Chest-level slice from an abdominal CT that extends up into the chest. axial view. 512x512 px. 15 organs annotated in this scan (that count is for the whole scan; organs this slice misses have no box)
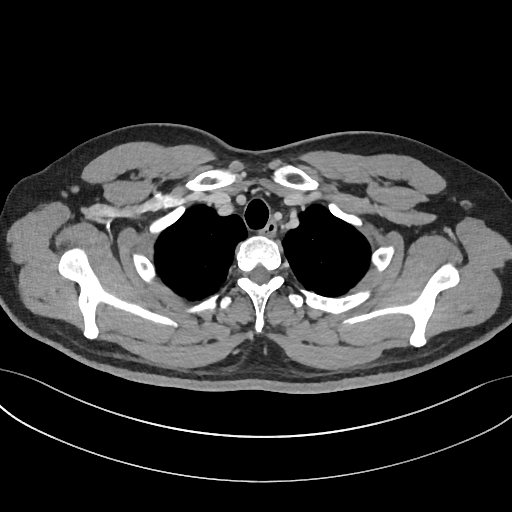

At this level of the chest no structure but the esophagus and the aorta has a label in this dataset, and those two are boxed only where they are labeled.
Boxes are (x1, y1, x2, y2) in pixels.
esophagus: (265, 223, 276, 235)